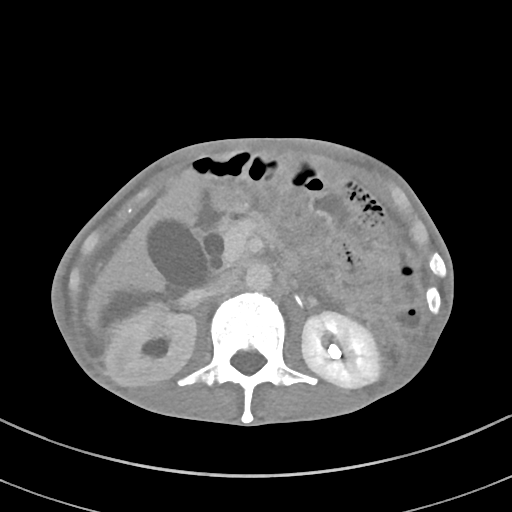
CT abdomen. Axial slice 60/92. scan has 15 labeled organs (counted over the whole 3D scan, not this slice; an organ is boxed only where this slice passes through it)
{"organs":{"right kidney":[105,306,196,385],"left kidney":[107,312,380,388],"gall bladder":[146,217,209,287],"liver":[87,168,200,326],"aorta":[245,262,272,290],"pancreas":[221,209,270,235],"duodenum":[195,189,225,233]}}